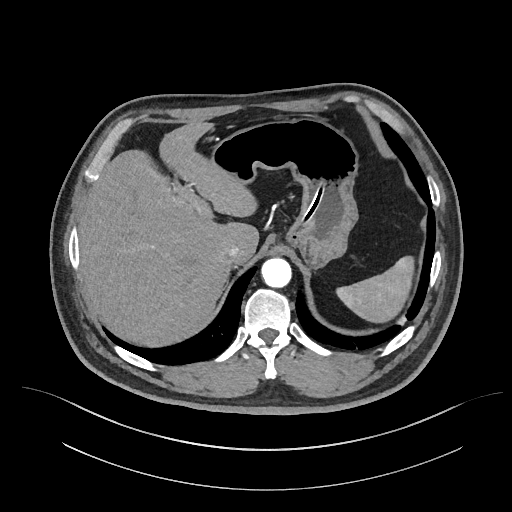
CT abdomen. axial view. W/L 400/40 HU. SOMATOM Force scanner
Bounding boxes as [x1, y1, x2, y2] in pixel coordinates. Labeled organs on this slice: spleen at [336, 256, 414, 322], liver at [79, 121, 258, 347], stomach at [209, 118, 358, 268], aorta at [261, 258, 291, 287], inferior vena cava at [221, 244, 239, 262].